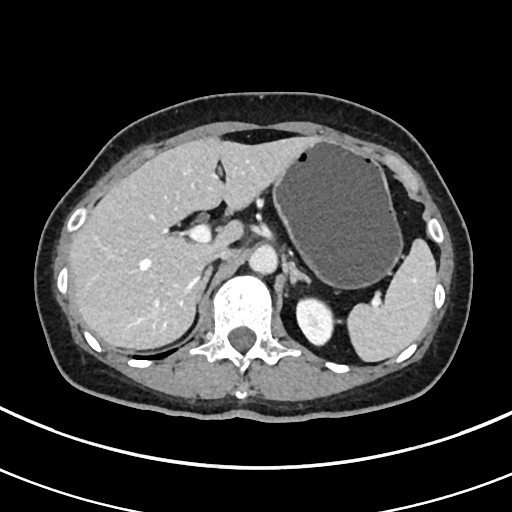 Computed tomography, abdomen; axial view; 512x512 px
<organs><organ name="spleen" x1="349" y1="237" x2="436" y2="361"/><organ name="left kidney" x1="296" y1="299" x2="332" y2="346"/><organ name="liver" x1="69" y1="136" x2="319" y2="349"/><organ name="stomach" x1="272" y1="140" x2="401" y2="287"/><organ name="aorta" x1="248" y1="244" x2="277" y2="273"/><organ name="inferior vena cava" x1="209" y1="247" x2="233" y2="260"/><organ name="right adrenal gland" x1="195" y1="266" x2="211" y2="305"/><organ name="left adrenal gland" x1="288" y1="260" x2="310" y2="283"/></organs>